CT abdomen — axial plane, index 50 — scan has 15 labeled organs (that count is for the whole scan; organs this slice misses have no box)
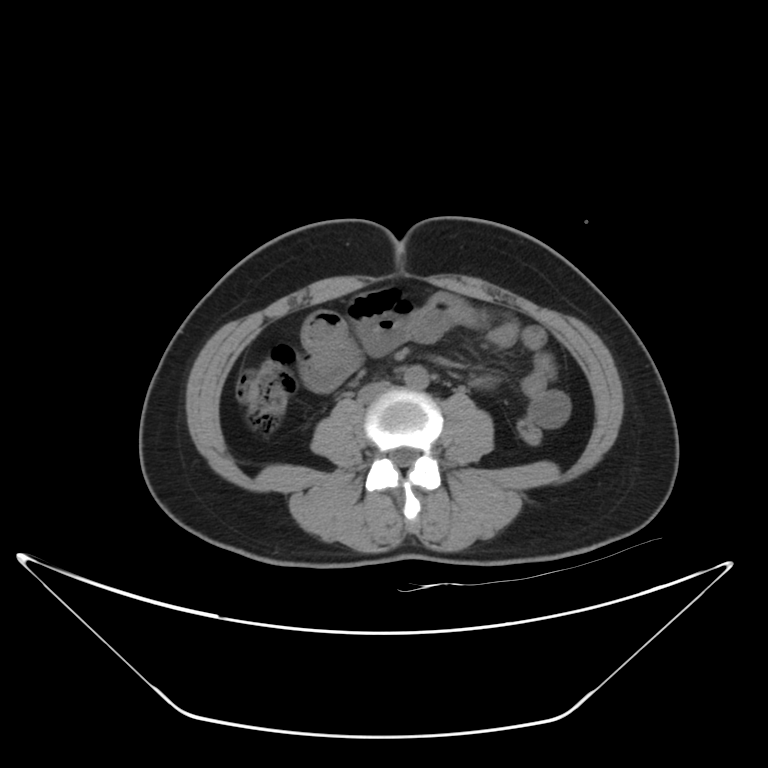
{"organs":{"aorta":[404,365,429,390],"inferior vena cava":[358,381,388,402]}}